Abdominal CT; axial view
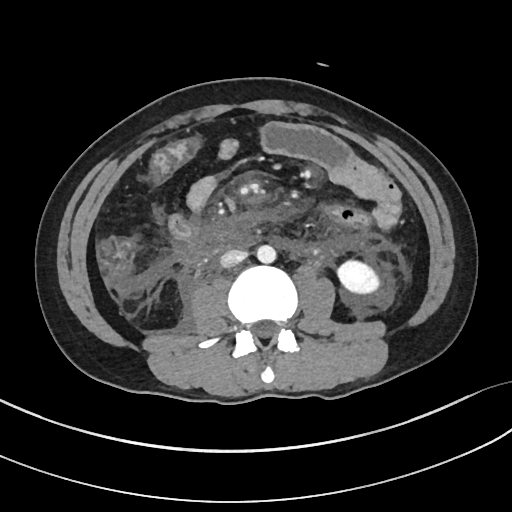
Coordinates as <box>x1,y1,x2,y2</box> in pixels. Labeled organs on this slice: inferior vena cava at <box>220,249,247,267</box>, left kidney at <box>337,260,379,293</box>, aorta at <box>256,245,276,263</box>.